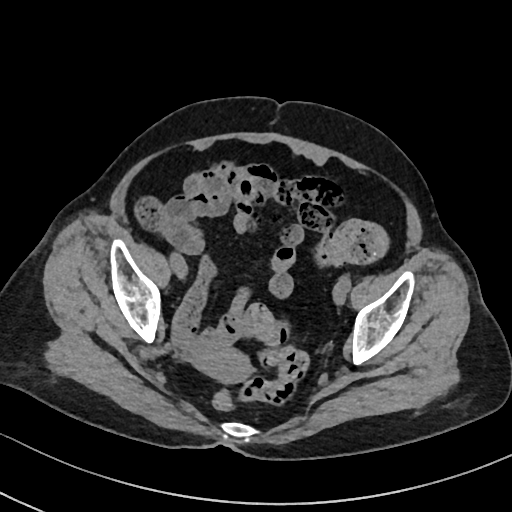 CT abdomen; Axial slice 57/202; SOMATOM Force scanner; scan has 15 labeled organs (a whole-scan count: organs this slice does not pass through have no box)
<organs><organ name="prostate/uterus" x1="198" y1="347" x2="252" y2="383"/></organs>